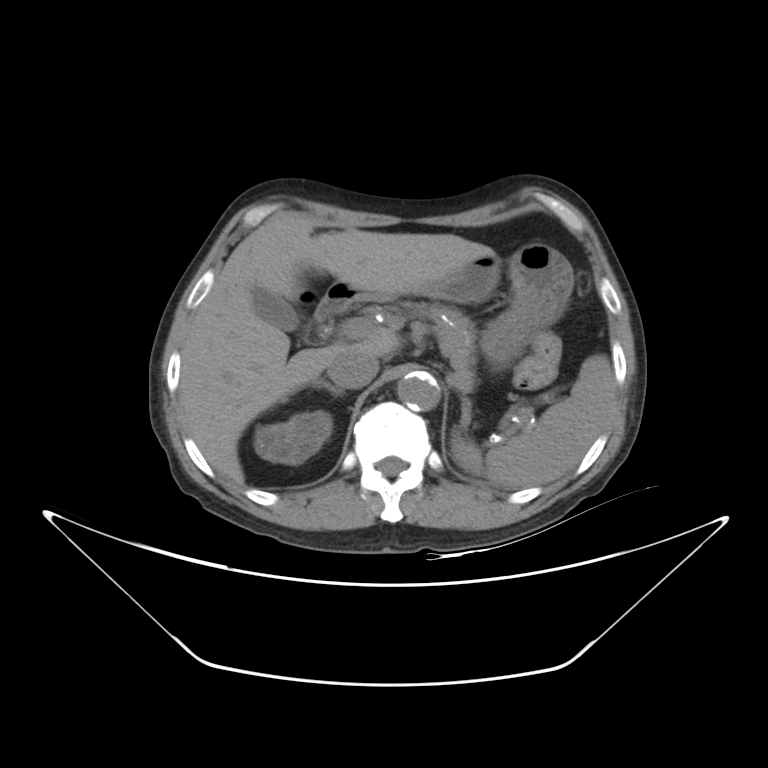
CT abdomen — Axial slice 78/94
Organ boxes in pixel coordinates; each row gives the top-left (x1, y1) and bottom-right (x2, y2) corners.
| organ | x1 | y1 | x2 | y2 |
|---|---|---|---|---|
| duodenum | 314 | 282 | 368 | 322 |
| pancreas | 421 | 305 | 475 | 393 |
| liver | 180 | 216 | 493 | 484 |
| aorta | 398 | 373 | 439 | 409 |
| inferior vena cava | 327 | 351 | 378 | 388 |
| spleen | 450 | 354 | 613 | 488 |
| stomach | 369 | 243 | 574 | 360 |
| gall bladder | 252 | 287 | 297 | 331 |
| right adrenal gland | 314 | 381 | 342 | 395 |
| right kidney | 253 | 410 | 332 | 465 |